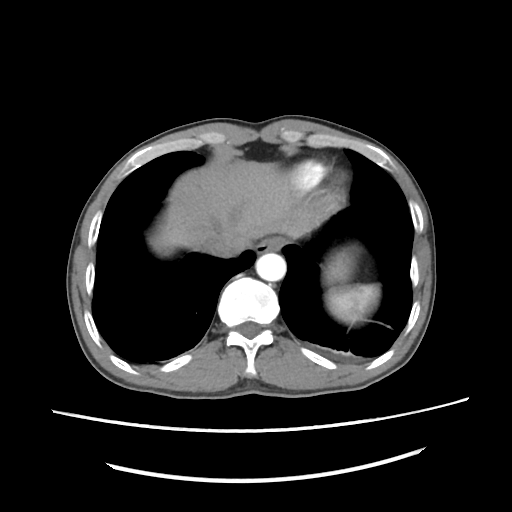 CT abdomen; axial view; W/L 400/40 HU; acquired on Aquilion ONE
Coordinates as <box>x1,y1,x2,y2</box> in pixels. 6 labeled organs on this slice — spleen at <box>324,284,380,329</box>; esophagus at <box>255,234,286,253</box>; liver at <box>147,161,332,258</box>; stomach at <box>322,247,358,289</box>; aorta at <box>255,252,286,281</box>; inferior vena cava at <box>201,230,248,256</box>.